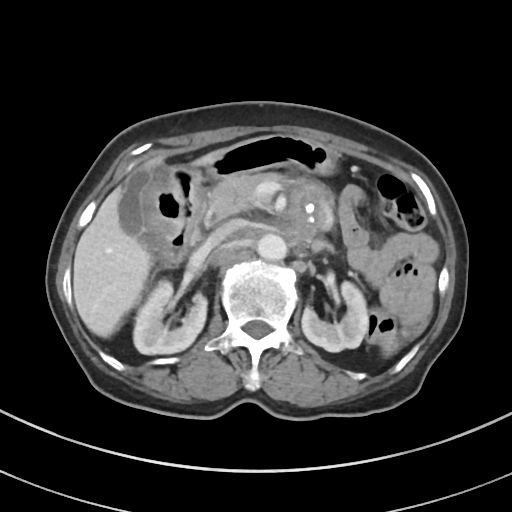
CT, abdomen/pelvis. axial view. 512x512 px
Boxes: x1:y1:x2:y2 in pixels.
spleen: 382:333:399:355
inferior vena cava: 211:221:237:243
stomach: 144:136:336:249
gall bladder: 119:166:153:245
aorta: 257:234:286:260
liver: 73:149:225:337
left kidney: 302:281:367:352
pancreas: 203:173:284:225
left adrenal gland: 311:239:336:254
duodenum: 160:244:195:265
right kidney: 133:280:207:354